CT, abdomen/pelvis — axial view
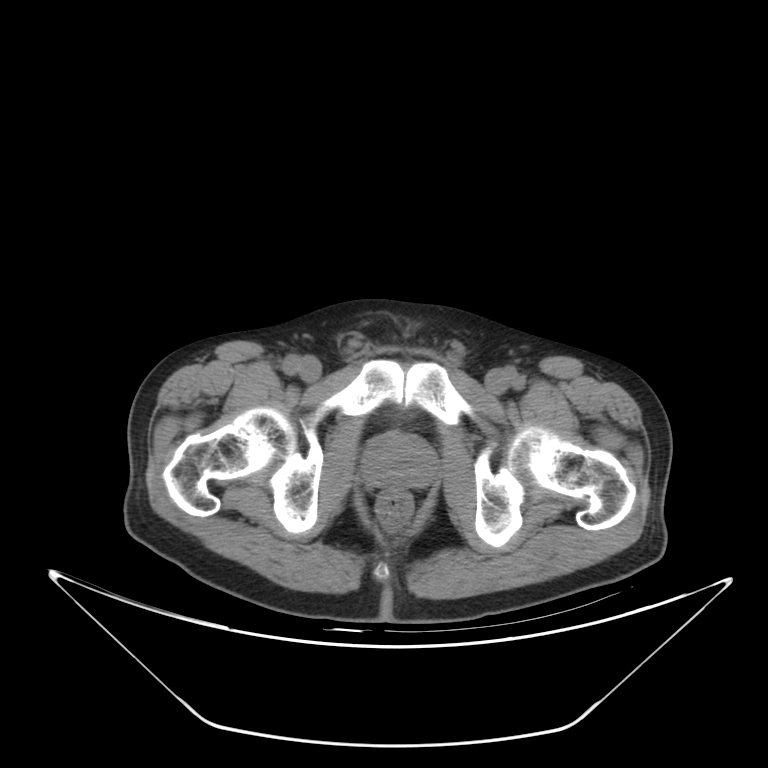

{"organs":{"prostate/uterus":[363,433,434,488]}}